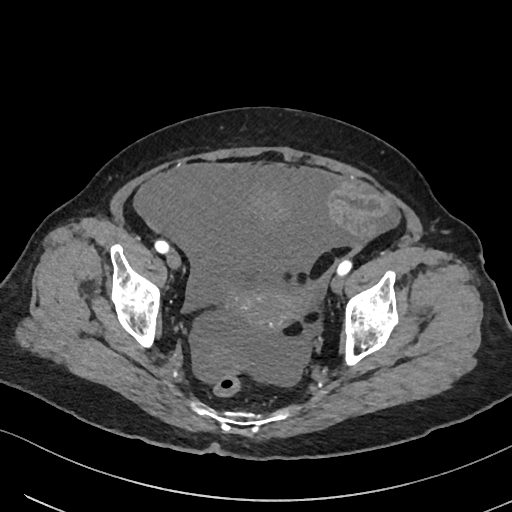

Abdominal CT; axial plane, index 53
Boxes: x1:y1:x2:y2 in pixels. 1 labeled organ on this slice — prostate/uterus at 230:289:302:331.